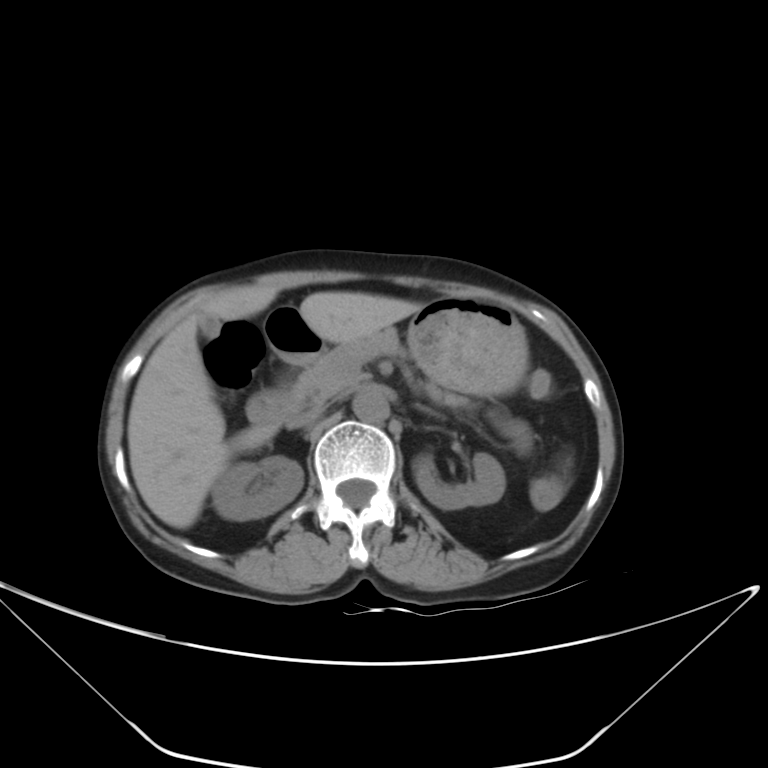 Abdominal CT. axial view. soft-tissue window (W 400 / L 40). acquired on Brilliance16
{"organs":{"right kidney":[211,455,304,521],"left kidney":[412,452,505,509],"gall bladder":[198,312,221,339],"liver":[127,286,420,528],"stomach":[265,297,528,395],"aorta":[353,388,388,423],"inferior vena cava":[287,405,325,427],"pancreas":[290,329,464,409],"left adrenal gland":[415,404,438,416],"duodenum":[246,389,296,432]}}